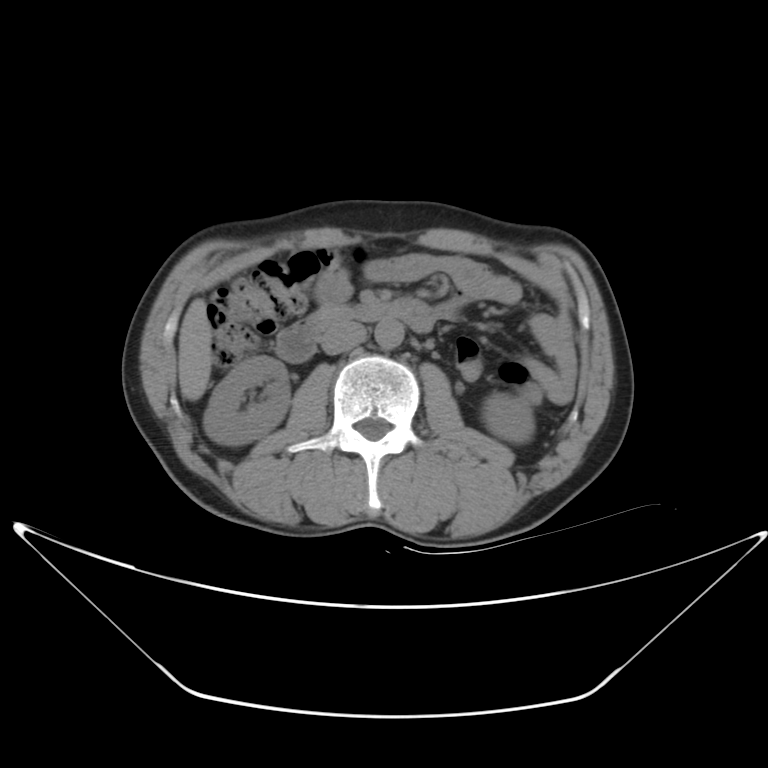

CT abdomen · axial view · abdomen soft-tissue window · 768x768 px · 51-year-old male patient
{"organs":{"right kidney":[204,357,289,444],"left kidney":[487,392,534,441],"liver":[178,297,212,399],"aorta":[376,322,402,348],"inferior vena cava":[322,322,364,353],"pancreas":[316,305,357,325],"duodenum":[272,298,434,361]}}